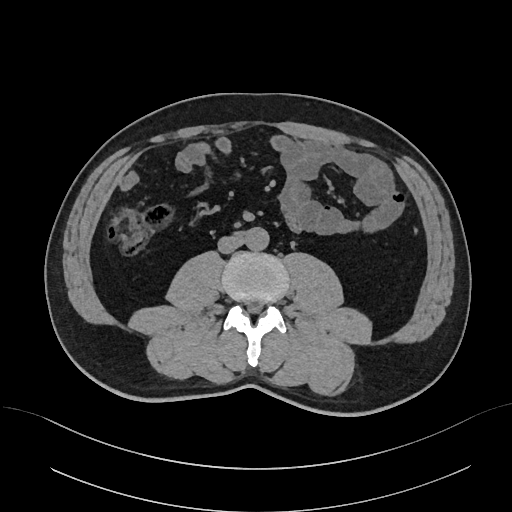

Computed tomography, abdomen. axial view. soft-tissue window. 15 organs annotated in this scan (a whole-scan count: organs this slice does not pass through have no box)
Each box given as x1,y1,x2,y2.
Organ bounding boxes:
- aorta: x1=244, y1=227, x2=268, y2=250
- inferior vena cava: x1=218, y1=236, x2=243, y2=253